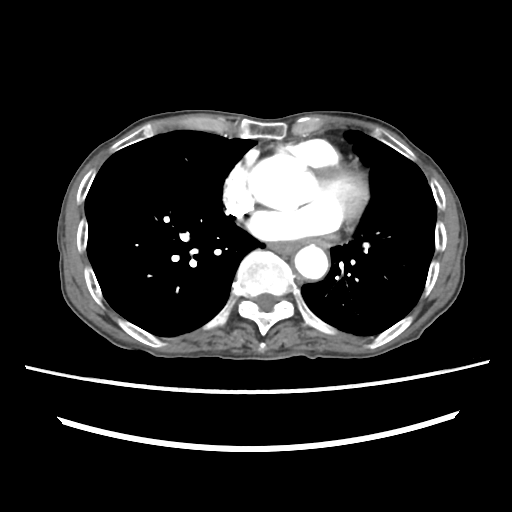 Chest-level CT slice, above the liver and spleen · axial view · 81-year-old male patient · Aquilion ONE scanner · scan has 15 labeled organs (that count is for the whole scan; organs this slice misses have no box)
At this level of the chest no structure but the esophagus and the aorta has a label in this dataset, and those two are boxed only where they are labeled.
Boxes: x1:y1:x2:y2 in pixels.
aorta: 294:245:328:279
esophagus: 269:242:300:253